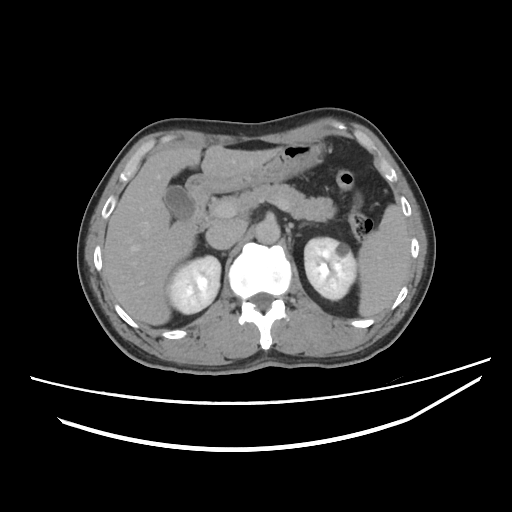 CT, abdomen/pelvis — axial view — W/L 400/40 HU — 512x512 px — 58-year-old male patient — acquired on Aquilion ONE — scan has 15 labeled organs (counted over the whole 3D scan, not this slice; an organ is boxed only where this slice passes through it)
Bounding boxes as [x1, y1, x2, y2] in pixel coordinates. 11 labeled organs on this slice — gall bladder at [163, 184, 194, 222]; aorta at [255, 220, 280, 244]; pancreas at [209, 181, 334, 221]; liver at [102, 146, 281, 325]; spleen at [358, 204, 410, 318]; inferior vena cava at [205, 219, 247, 249]; left adrenal gland at [289, 222, 305, 228]; duodenum at [185, 196, 209, 234]; stomach at [186, 141, 324, 196]; right kidney at [166, 255, 220, 313]; left kidney at [305, 237, 357, 299].